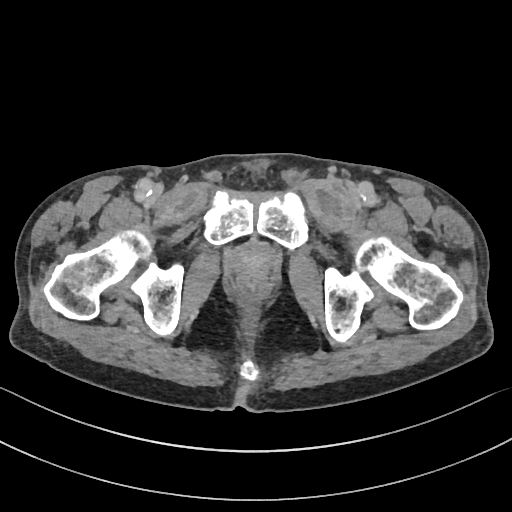

Abdominal CT; axial view; abdomen soft-tissue window; scan has 15 labeled organs (a whole-scan count: organs this slice does not pass through have no box)
Boxes are (x1, y1, x2, y2) in pixels. 1 labeled organ on this slice — prostate/uterus at (232, 243, 275, 275).